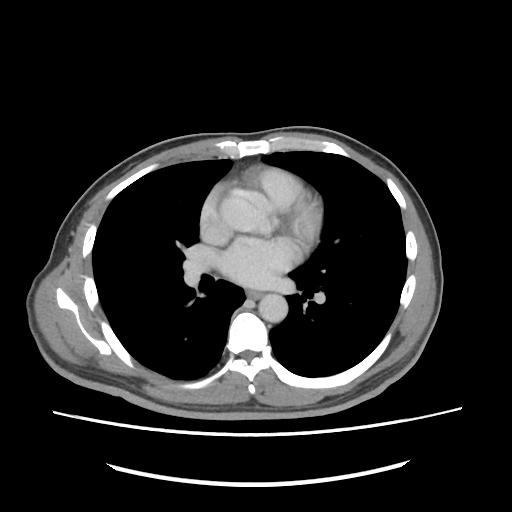 Abdominal CT reaching into the chest; this slice is in the chest — axial plane, index 97 — 54-year-old male patient
On a slice this high in the chest, this dataset labels only the esophagus and the aorta, and each is boxed only where it is labeled; the heart, lungs and other chest structures are not labeled.
Bounding boxes in pixels, one row per box: x1, y1 is the top-left corner and x2, y2 the bottom-right.
| organ | x1 | y1 | x2 | y2 |
|---|---|---|---|---|
| esophagus | 246 | 290 | 262 | 299 |
| aorta | 258 | 293 | 287 | 322 |